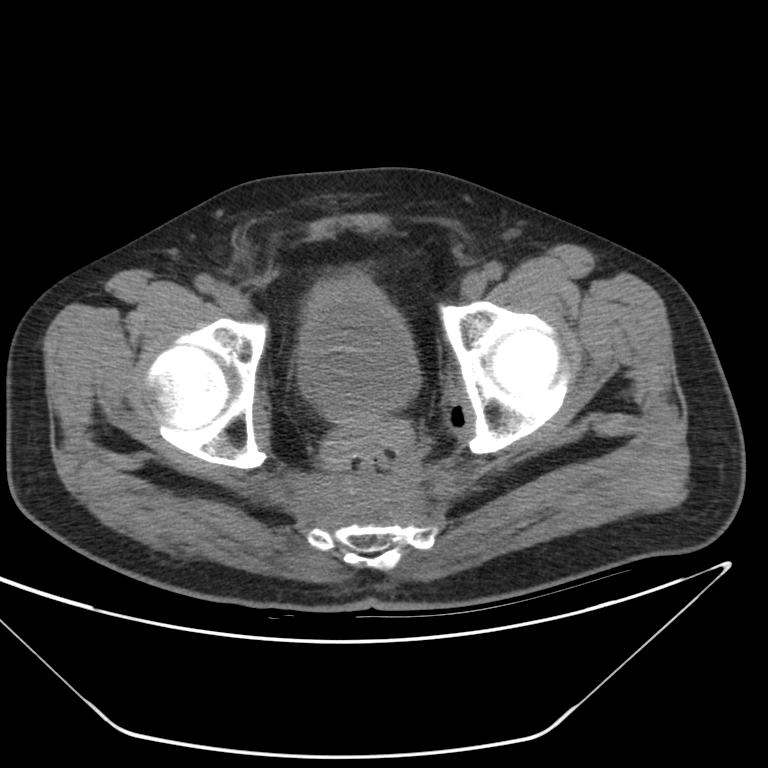

Computed tomography, abdomen — axial view — 50-year-old male patient
Box edges are left/top/right/bottom in pixels.
Organ bounding boxes:
- bladder: left=298, top=287, right=416, bottom=418